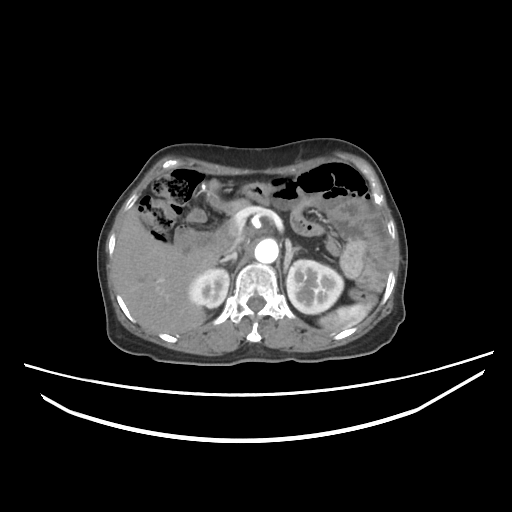
CT abdomen — axial view — 63-year-old female patient
Boxes: x1:y1:x2:y2 in pixels. 9 labeled organs on this slice — spleen at 319:301:374:330; right kidney at 189:268:229:308; left kidney at 286:259:343:313; liver at 114:209:229:334; aorta at 254:238:278:264; inferior vena cava at 221:236:244:256; right adrenal gland at 218:253:236:263; left adrenal gland at 281:239:299:273; duodenum at 176:220:233:252.